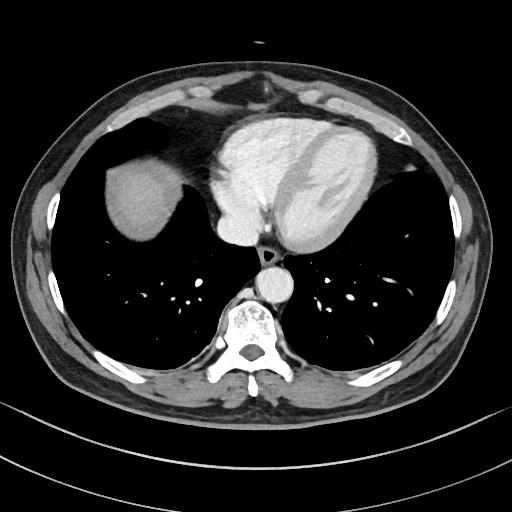
CT abdomen. axial view. soft-tissue window. 512x512 px
Box edges are left/top/right/bottom in pixels. 4 labeled organs on this slice — inferior vena cava at left=216, top=213, right=259, bottom=245; liver at left=120, top=176, right=164, bottom=242; esophagus at left=258, top=244, right=280, bottom=264; aorta at left=255, top=266, right=292, bottom=302.